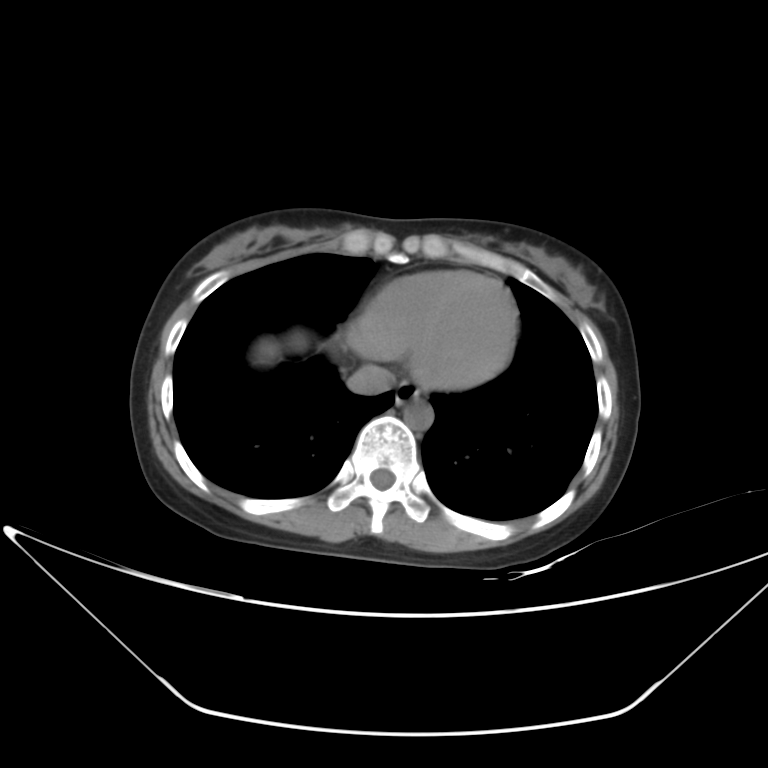

Abdominal CT; this slice is in the lower chest, just above the liver — axial view — soft-tissue window (W 400 / L 40) — 768x768 px
Of the structures in the chest, this dataset labels only the esophagus, the aorta and the inferior vena cava; the heart and lungs have no label. Boxes: x1 y1 x2 y2 (pixel coords, space-separated). 3 labeled organs on this slice — esophagus at 395 380 420 404; aorta at 403 397 433 430; inferior vena cava at 347 365 394 394.